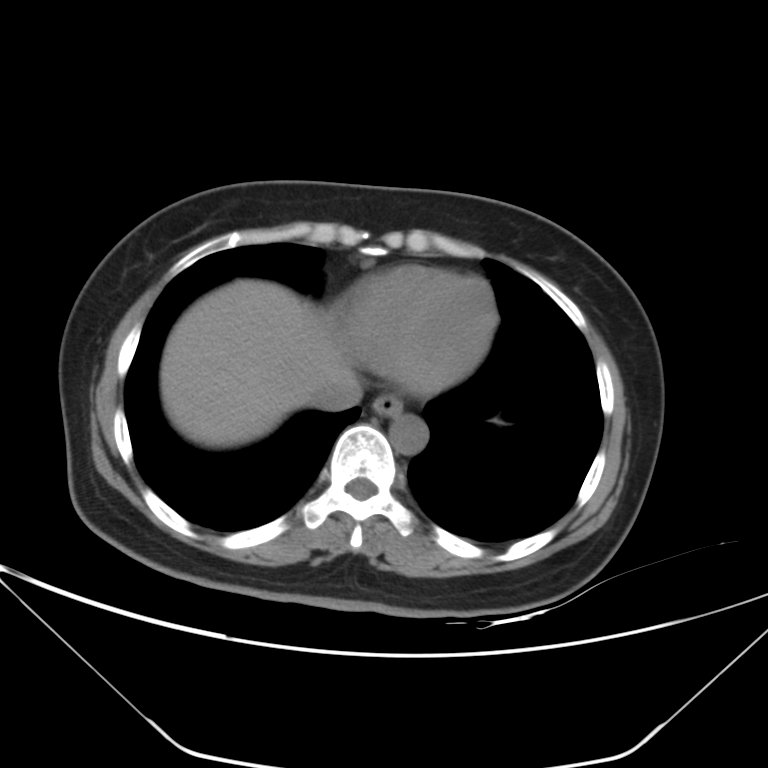 Computed tomography, abdomen · axial plane, index 79
Organ boxes in pixel coordinates; each row gives the top-left (x1, y1) and bottom-right (x2, y2) corners.
| organ | x1 | y1 | x2 | y2 |
|---|---|---|---|---|
| esophagus | 373 | 392 | 402 | 416 |
| liver | 161 | 279 | 360 | 446 |
| aorta | 389 | 414 | 427 | 454 |
| inferior vena cava | 308 | 384 | 363 | 410 |